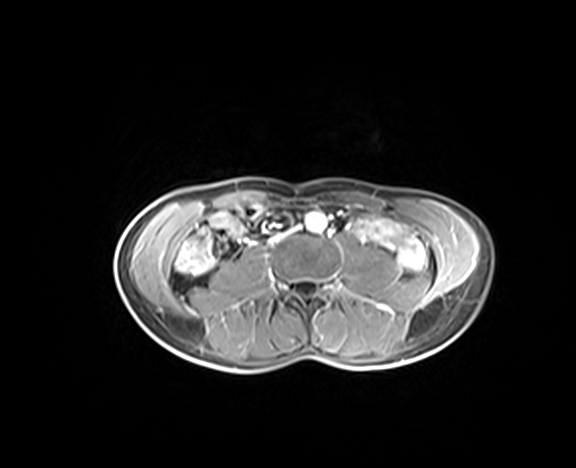

Magnetic resonance imaging, abdomen · axial view
Organ boxes in pixel coordinates; each row gives the top-left (x1, y1) and bottom-right (x2, y2) corners.
| organ | x1 | y1 | x2 | y2 |
|---|---|---|---|---|
| aorta | 305 | 212 | 326 | 232 |